Computed tomography, abdomen · axial view · abdomen soft-tissue window · 512x512 px · 65-year-old male patient
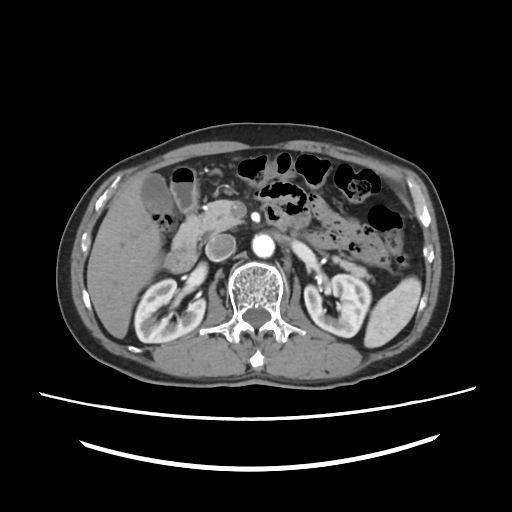

{"organs":{"spleen":[364,277,421,347],"right kidney":[134,279,205,342],"left kidney":[304,274,371,337],"gall bladder":[141,173,173,213],"liver":[87,172,161,338],"stomach":[179,167,197,181],"aorta":[252,234,274,257],"inferior vena cava":[205,234,235,261],"pancreas":[171,200,371,278],"duodenum":[164,168,197,272]}}